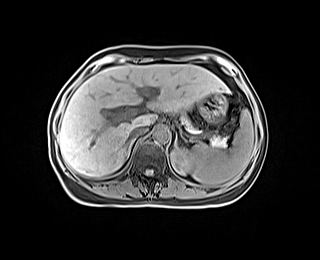
MRI, abdomen · Axial slice 49/72 · percentile-normalized · 320x260 px
Boxes: x1 y1 x2 y2 (pixel coords, space-separated).
pancreas: 182 116 226 146
stomach: 199 93 227 123
inferior vena cava: 129 126 147 138
spleen: 190 110 254 187
right adrenal gland: 126 138 135 157
aorta: 153 125 169 141
left adrenal gland: 172 132 178 146
left kidney: 171 147 194 174
liver: 58 64 227 176